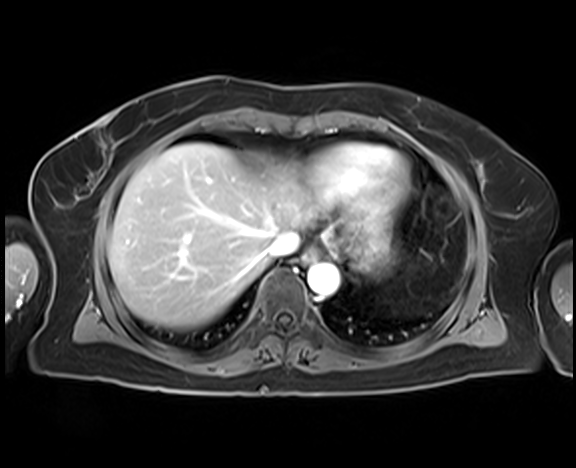
MRI, abdomen — axial view — scan has 13 labeled organs (that count is for the whole scan; organs this slice misses have no box)
Boxes: x1 y1 x2 y2 (pixel coords, space-separated).
aorta: 307 263 339 296
liver: 108 143 308 329
inferior vena cava: 267 231 300 258
stomach: 357 226 391 273
esophagus: 303 247 318 262